Abdominal CT reaching into the chest; this slice is in the chest · axial view · soft-tissue window · 512x512 px · Aquilion ONE scanner
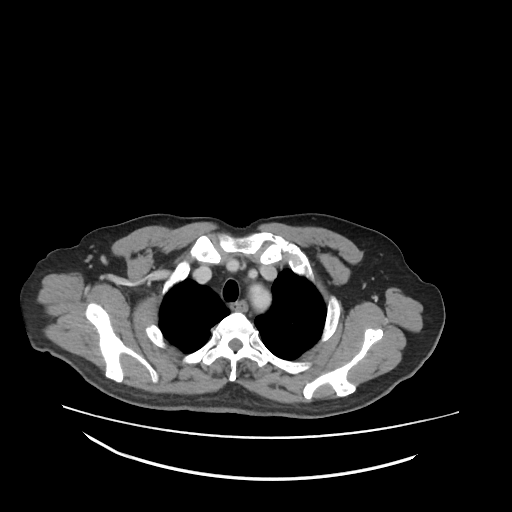
At this level of the chest this dataset labels only the esophagus and the aorta, and each is boxed only where it is labeled; the heart and lungs are never labeled. Coordinates as <box>x1,y1,x2,y2</box> in pixels. 2 labeled organs on this slice — esophagus at <box>231,301,246,309</box>; aorta at <box>249,283,269,311</box>.